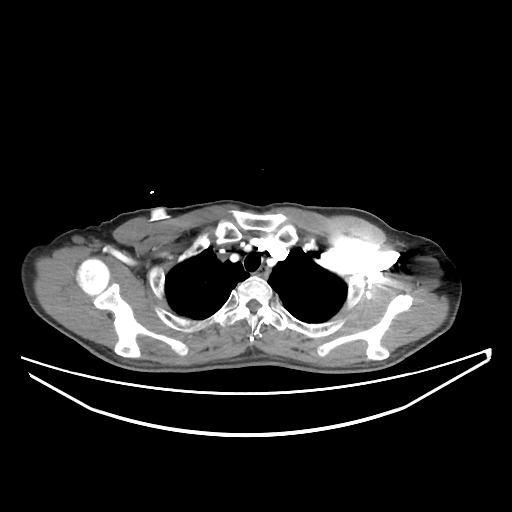

CT of the abdomen extending into the chest, slice through the chest; axial view; soft-tissue window; 512x512 px
At this level of the chest no structure but the esophagus and the aorta has a label in this dataset, and those two are boxed only where they are labeled.
Bounding boxes as [x1, y1, x2, y2] in pixel coordinates.
Organ bounding boxes:
- esophagus: [253, 265, 267, 277]